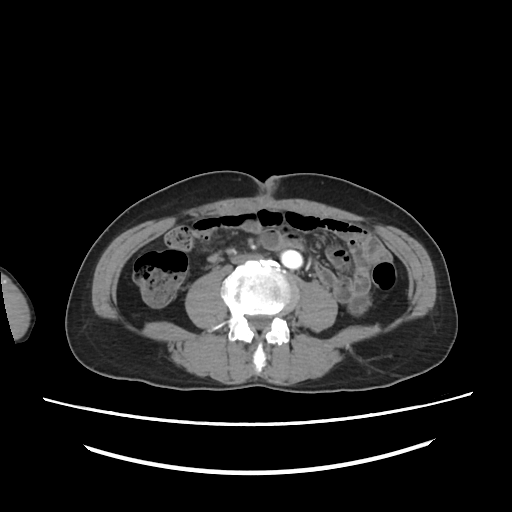

Computed tomography, abdomen — axial view — soft-tissue window
{"organs":{"aorta":[279,250,302,268],"inferior vena cava":[231,253,265,261]}}